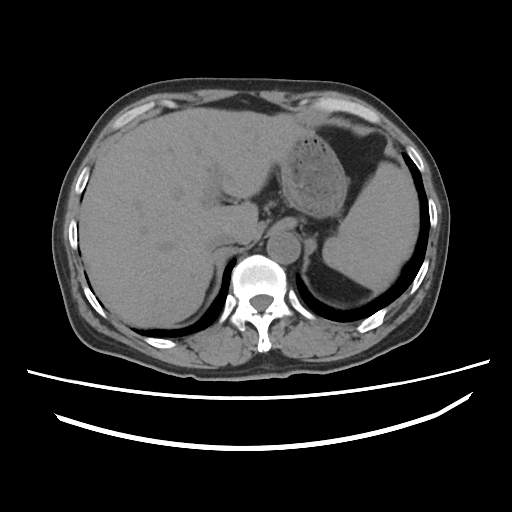

CT, abdomen/pelvis. axial view. 512x512 px. 48-year-old male patient. scan has 15 labeled organs (a whole-scan count: organs this slice does not pass through have no box)
Each box given as x1,y1,x2,y2.
Organ bounding boxes:
- liver: x1=79, y1=108, x2=305, y2=327
- inferior vena cava: x1=209, y1=232, x2=234, y2=249
- stomach: x1=278, y1=131, x2=348, y2=218
- aorta: x1=267, y1=231, x2=300, y2=263
- spleen: x1=323, y1=162, x2=418, y2=291